CT abdomen — axial view — 15 organs annotated in this scan (counted over the whole 3D scan, not this slice; an organ is boxed only where this slice passes through it)
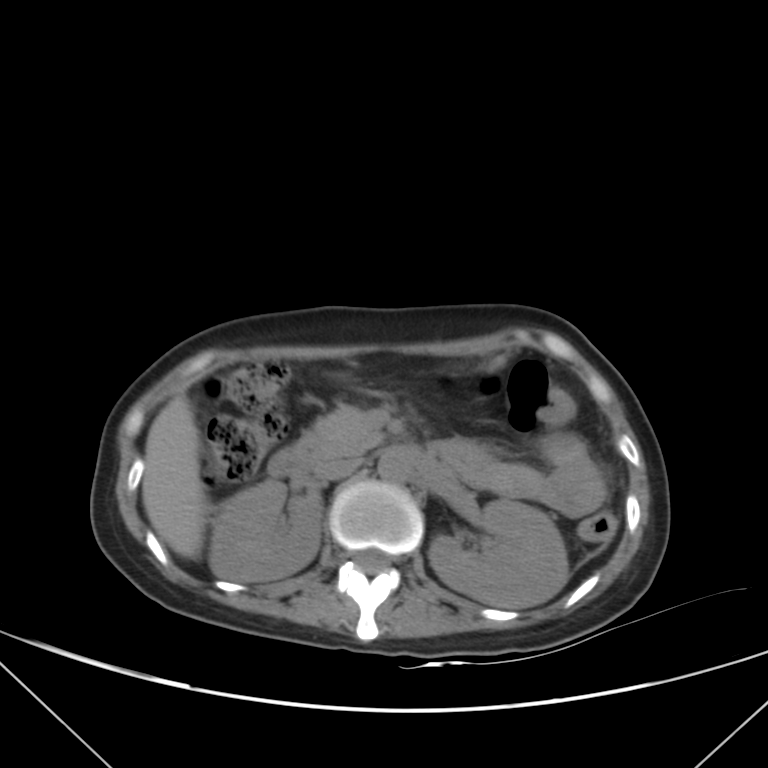
{"organs":{"right kidney":[208,480,320,581],"left kidney":[428,499,569,608],"liver":[142,396,205,557],"aorta":[377,450,412,483],"inferior vena cava":[315,458,359,479],"pancreas":[298,406,381,457],"duodenum":[267,445,320,476]}}